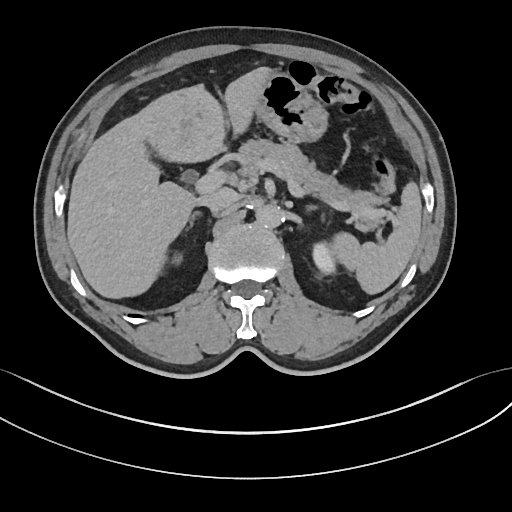 CT, abdomen/pelvis · axial view · SOMATOM Force scanner
Boxes are (x1, y1, x2, y2) in pixels. 10 labeled organs on this slice — right kidney at (171, 252, 182, 265); stomach at (256, 73, 327, 142); inferior vena cava at (201, 188, 238, 213); aorta at (255, 204, 283, 228); liver at (67, 67, 272, 298); pancreas at (237, 139, 384, 230); left adrenal gland at (306, 205, 315, 210); right adrenal gland at (187, 212, 199, 229); spleen at (331, 182, 421, 294); left kidney at (312, 242, 335, 274).